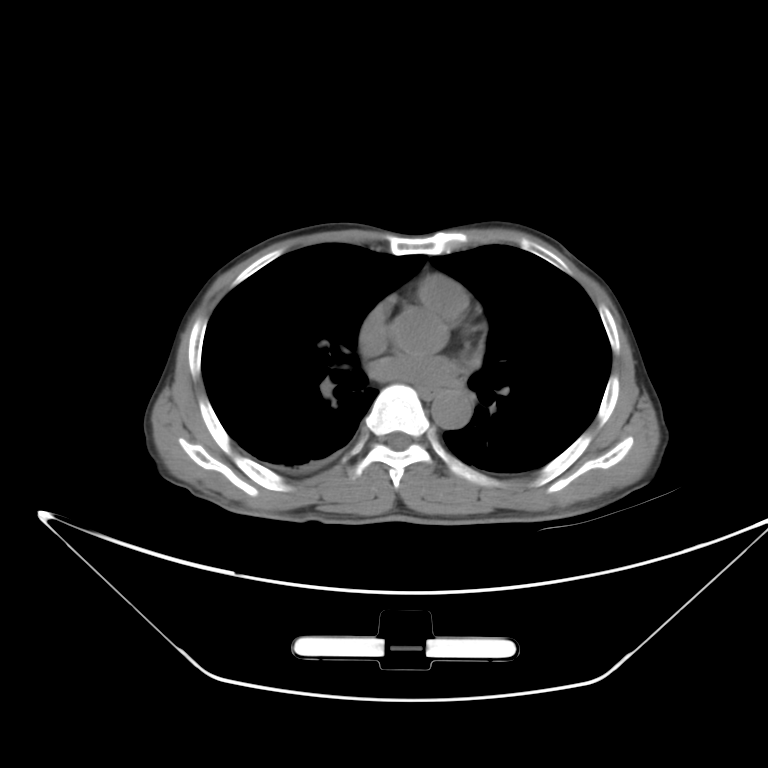

Lower-chest slice from an abdominal CT, just above the liver and spleen; Axial slice 94/96; soft-tissue window, W/L 400/40; acquired on Brilliance16; scan has 15 labeled organs (that count is for the whole scan; organs this slice misses have no box)
The heart and lungs are never labeled in this dataset, so they have no box on this slice.
{"organs":{"esophagus":[417,385,439,399],"aorta":[429,392,468,427]}}